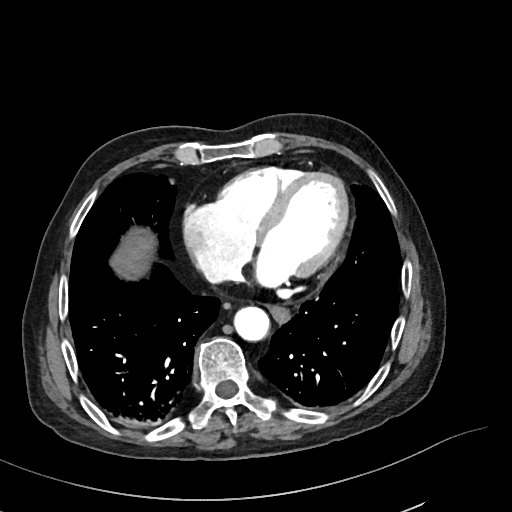

Abdominal CT — axial view — 512x512 px — scan has 15 labeled organs (counted over the whole 3D scan, not this slice; an organ is boxed only where this slice passes through it)
<organs><organ name="liver" x1="110" y1="228" x2="155" y2="279"/><organ name="esophagus" x1="269" y1="306" x2="289" y2="325"/><organ name="aorta" x1="233" y1="306" x2="269" y2="341"/></organs>